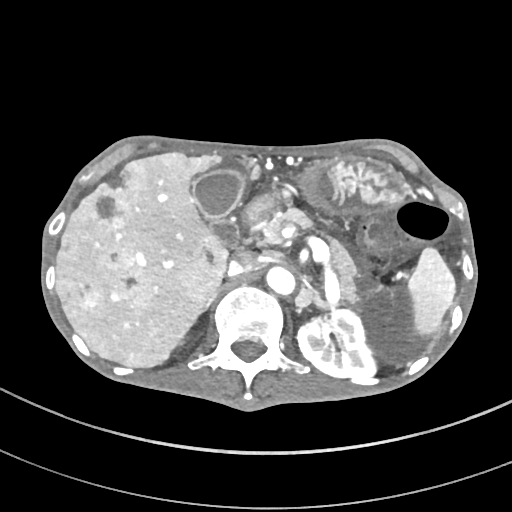
Abdominal CT · axial plane, index 151 · scan has 15 labeled organs (a whole-scan count: organs this slice does not pass through have no box)
{"organs":{"duodenum":[242,195,273,224],"inferior vena cava":[228,252,267,276],"gall bladder":[192,170,244,248],"stomach":[299,158,408,216],"right adrenal gland":[204,292,217,310],"aorta":[266,266,295,295],"left adrenal gland":[295,283,330,309],"liver":[56,152,227,367],"left kidney":[297,310,375,380],"pancreas":[261,208,359,303],"spleen":[408,248,455,335]}}